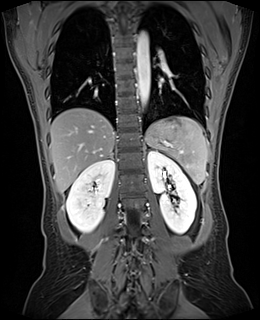
MRI, abdomen — Coronal slice 51/144
<organs><organ name="spleen" x1="146" y1="117" x2="207" y2="184"/><organ name="right kidney" x1="66" y1="159" x2="115" y2="232"/><organ name="left kidney" x1="148" y1="151" x2="196" y2="233"/><organ name="liver" x1="50" y1="108" x2="114" y2="193"/><organ name="stomach" x1="152" y1="120" x2="175" y2="133"/><organ name="aorta" x1="136" y1="31" x2="150" y2="107"/><organ name="right adrenal gland" x1="110" y1="152" x2="114" y2="158"/></organs>